Abdominal CT · axial plane, index 21 · 58-year-old male patient · 15 organs annotated in this scan (that count is for the whole scan; organs this slice misses have no box)
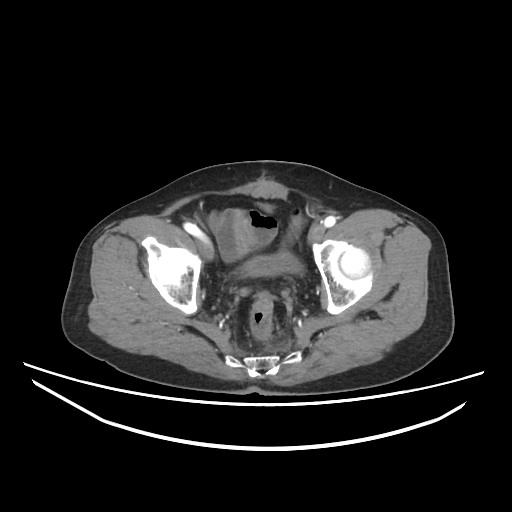

Box edges are left/top/right/bottom in pixels. The annotated organs in this slice are: bladder at left=239, top=203, right=302, bottom=276.